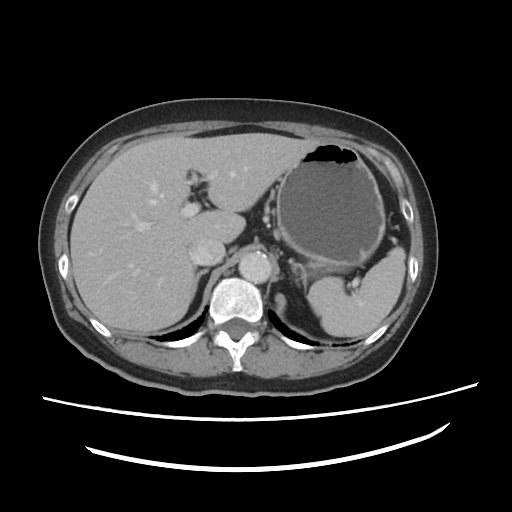
Abdominal CT. axial view. 512x512 px. acquired on Aquilion ONE
Organ boxes in pixel coordinates; each row gives the top-left (x1, y1) and bottom-right (x2, y2) corners.
| organ | x1 | y1 | x2 | y2 |
|---|---|---|---|---|
| spleen | 306 | 246 | 405 | 337 |
| liver | 71 | 133 | 325 | 331 |
| stomach | 274 | 140 | 386 | 272 |
| aorta | 239 | 252 | 273 | 283 |
| inferior vena cava | 188 | 240 | 225 | 264 |
| right adrenal gland | 191 | 269 | 208 | 299 |